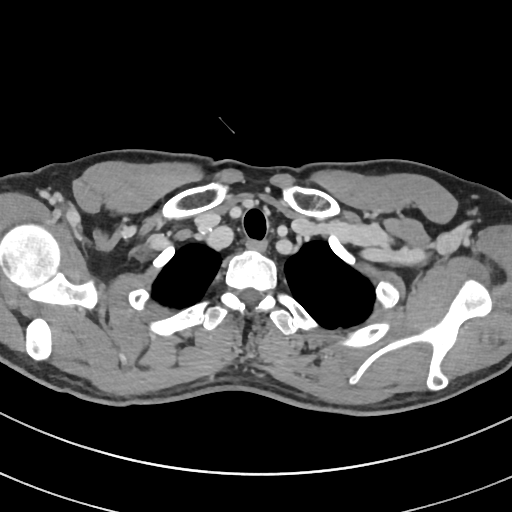
CT of the abdomen extending into the chest, slice through the chest · axial view
At this level of the chest no structure but the esophagus and the aorta has a label in this dataset, and those two are boxed only where they are labeled. Boxes are (x1, y1, x2, y2) in pixels. 1 labeled organ on this slice — esophagus at (246, 239, 268, 249).